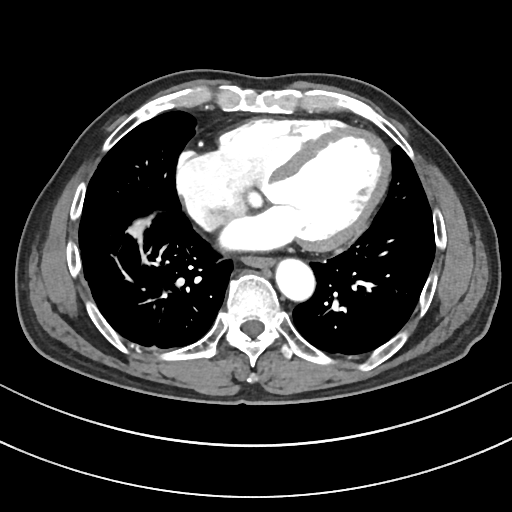 Abdominal CT; this slice is in the lower chest, just above the liver; axial view; 15 organs annotated in this scan (that count is for the whole scan; organs this slice misses have no box)
No part of the heart or lungs is labeled in this dataset, so neither has a box here.
One row per box, in pixels: columns x1 and y1 give the top-left corner, x2 and y2 the bottom-right.
| organ | x1 | y1 | x2 | y2 |
|---|---|---|---|---|
| esophagus | 242 | 256 | 274 | 267 |
| aorta | 275 | 258 | 314 | 300 |
| inferior vena cava | 197 | 208 | 233 | 229 |